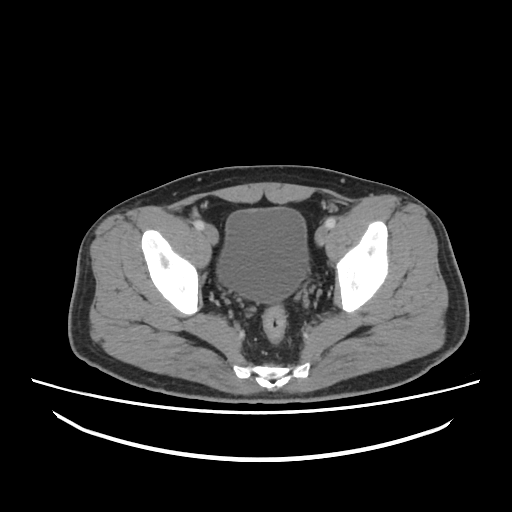

CT abdomen · axial view
Bounding boxes as [x1, y1, x2, y2] in pixel coordinates.
Organ bounding boxes:
- bladder: [217, 207, 308, 302]